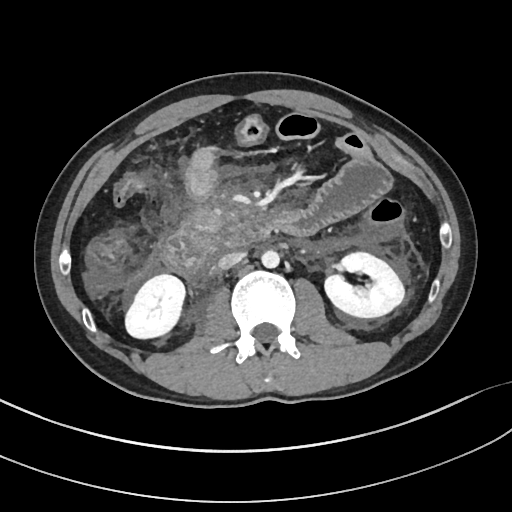 Computed tomography, abdomen. axial plane, index 138. soft-tissue window
{"organs":{"right kidney":[124,273,186,339],"left kidney":[323,252,404,318],"aorta":[261,250,279,268],"inferior vena cava":[218,252,245,269],"pancreas":[177,210,219,235],"duodenum":[162,217,268,280]}}